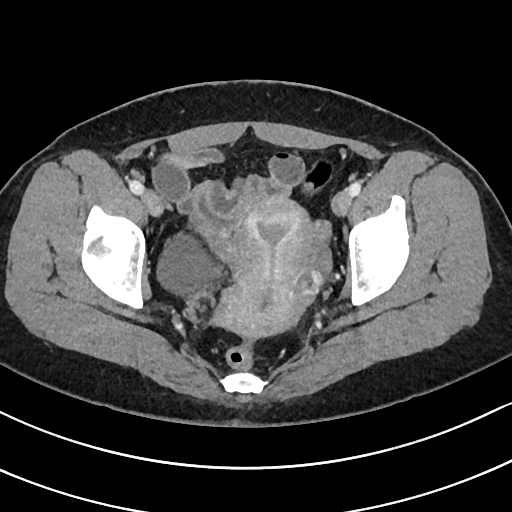
CT, abdomen/pelvis — axial view — soft-tissue window (W 400 / L 40) — acquired on SOMATOM Force
Bounding boxes in pixels, one row per box: x1, y1 is the top-left corner and x2, y2 the bottom-right.
| organ | x1 | y1 | x2 | y2 |
|---|---|---|---|---|
| bladder | 159 | 234 | 222 | 293 |
| prostate/uterus | 215 | 196 | 313 | 336 |